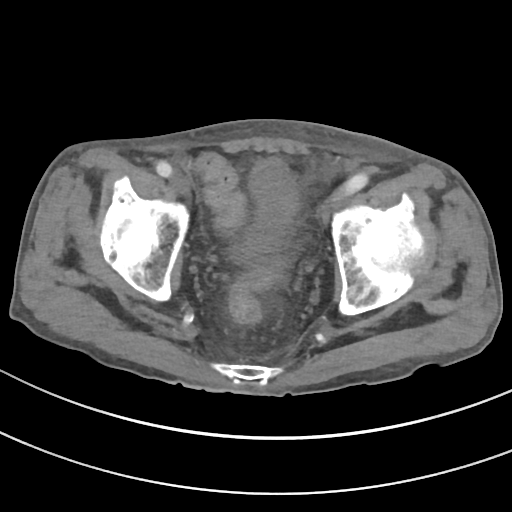

Abdominal CT · axial view · 512x512 px
Coordinates as <box>x1,y1,x2,y2</box> in pixels.
bladder: <box>230,159,298,260</box>